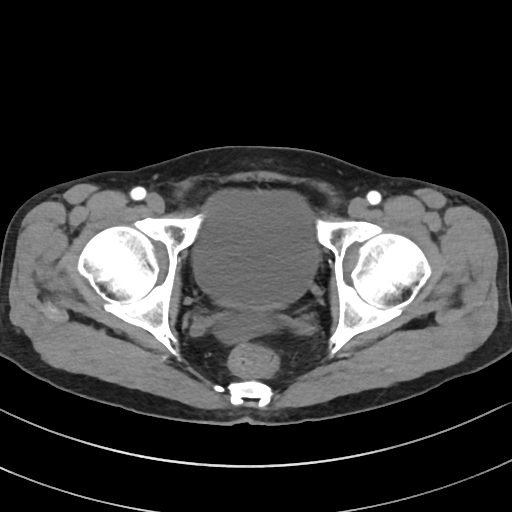

CT, abdomen/pelvis; axial plane, index 13; W/L 400/40 HU; 15 organs annotated in this scan (that count is for the whole scan; organs this slice misses have no box)
Bounding boxes as [x1, y1, x2, y2] in pixel coordinates.
bladder: [193, 190, 318, 307]